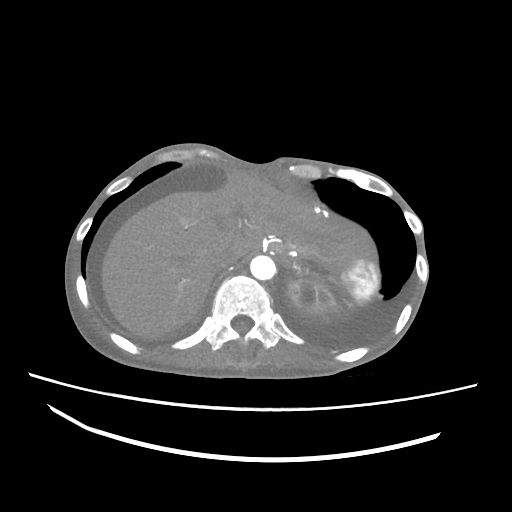

Computed tomography, abdomen · axial view · 512x512 px · 47-year-old male patient · 15 organs annotated in this scan (a whole-scan count: organs this slice does not pass through have no box)
Boxes are (x1, y1, x2, y2) in pixels. Labeled organs on this slice: liver at (101, 172, 318, 338), spleen at (340, 256, 378, 304), aorta at (250, 255, 276, 280), left kidney at (285, 280, 335, 313), esophagus at (262, 235, 297, 257), inferior vena cava at (212, 253, 234, 272).